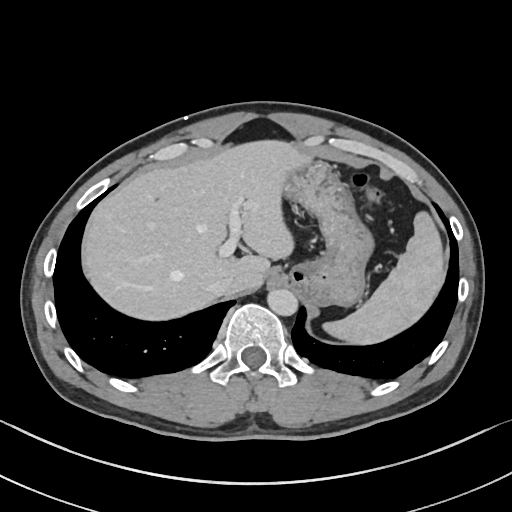
Computed tomography, abdomen · Axial slice 164/291 · abdomen soft-tissue window · 15 organs annotated in this scan (that count is for the whole scan; organs this slice misses have no box)
Box edges are left/top/right/bottom in pixels. The annotated organs in this slice are: spleen at left=324, top=212, right=444, bottom=344, liver at left=83, top=142, right=308, bottom=317, stomach at left=284, top=159, right=374, bottom=305, aorta at left=267, top=289, right=298, bottom=316, inferior vena cava at left=209, top=278, right=233, bottom=295.